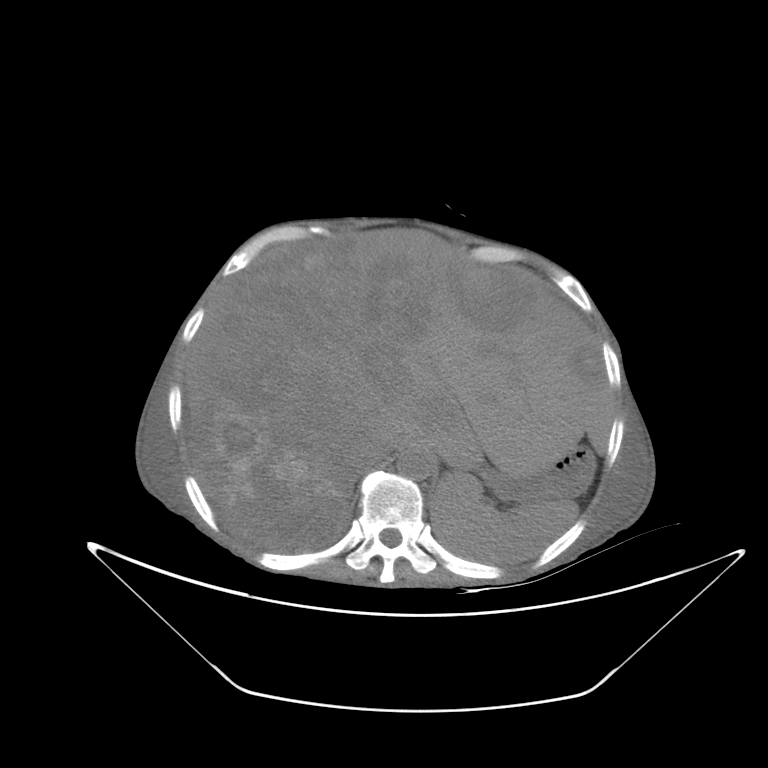
CT abdomen · axial view · soft-tissue window · 15 organs annotated in this scan (counted over the whole 3D scan, not this slice; an organ is boxed only where this slice passes through it)
{"organs":{"spleen":[429,468,575,562],"liver":[187,231,612,552],"stomach":[483,449,592,501],"aorta":[396,448,433,480],"inferior vena cava":[366,435,407,468]}}